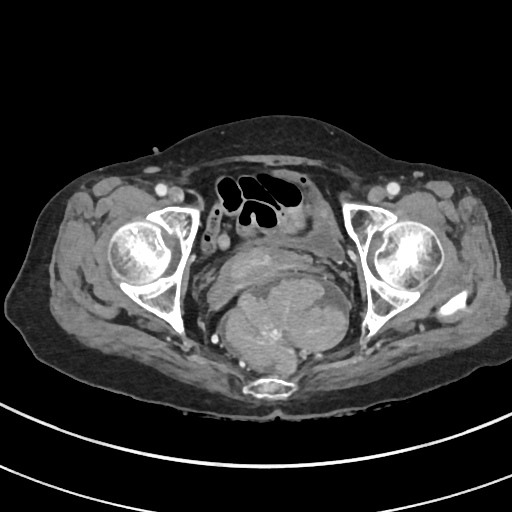 CT, abdomen/pelvis; axial view; soft-tissue window (W 400 / L 40); 512x512 px; 15 organs annotated in this scan (counted over the whole 3D scan, not this slice; an organ is boxed only where this slice passes through it)
Coordinates as <box>x1,y1,x2,y2</box> in pixels.
bladder: <box>248,170,342,259</box>
prostate/uterus: <box>218,247,296,292</box>